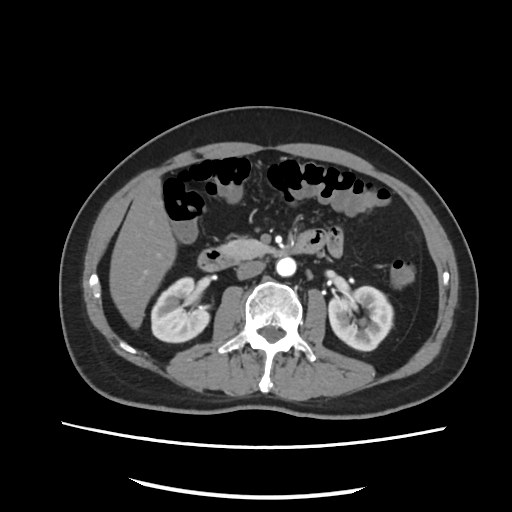 CT abdomen — Axial slice 67/91 — abdomen soft-tissue window
Boxes: x1 y1 x2 y2 (pixel coords, space-separated). 7 labeled organs on this slice — liver at 109 179 175 327; left kidney at 329 286 392 350; inferior vena cava at 235 261 265 279; aorta at 276 257 296 276; right kidney at 151 277 210 343; duodenum at 197 230 327 271; pancreas at 220 238 277 257.